Abdominal MR · Axial slice 62/72 · scan has 13 labeled organs (that count is for the whole scan; organs this slice misses have no box)
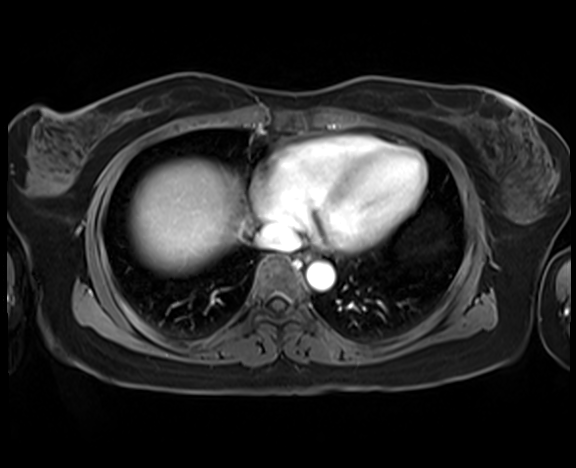 {"organs":{"liver":[130,159,250,273],"esophagus":[300,251,311,261],"inferior vena cava":[257,223,299,250],"aorta":[306,261,334,290]}}